Abdominal CT · axial view · soft-tissue window · 15 organs annotated in this scan (counted over the whole 3D scan, not this slice; an organ is boxed only where this slice passes through it)
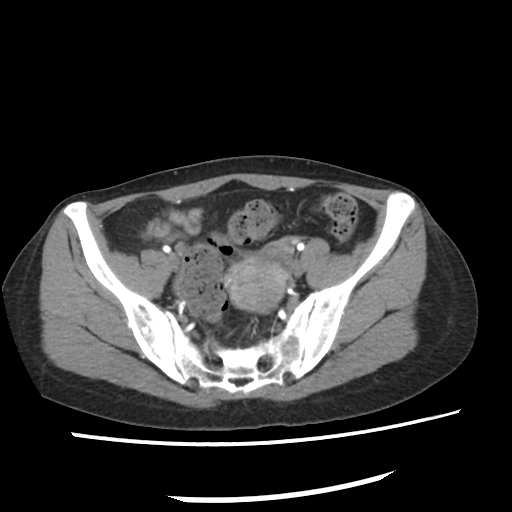
Boxes: x1:y1:x2:y2 in pixels.
prostate/uterus: 226:258:285:311